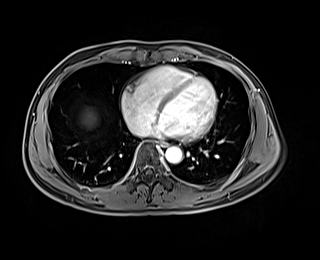 MRI, abdomen. axial view. 1st–99th percentile window. acquired on Prisma
One row per box, in pixels: columns x1 and y1 give the top-left corner, x2 and y2 the bottom-right.
| organ | x1 | y1 | x2 | y2 |
|---|---|---|---|---|
| esophagus | 159 | 141 | 167 | 147 |
| inferior vena cava | 137 | 131 | 146 | 135 |
| liver | 82 | 109 | 98 | 127 |
| aorta | 165 | 146 | 182 | 163 |